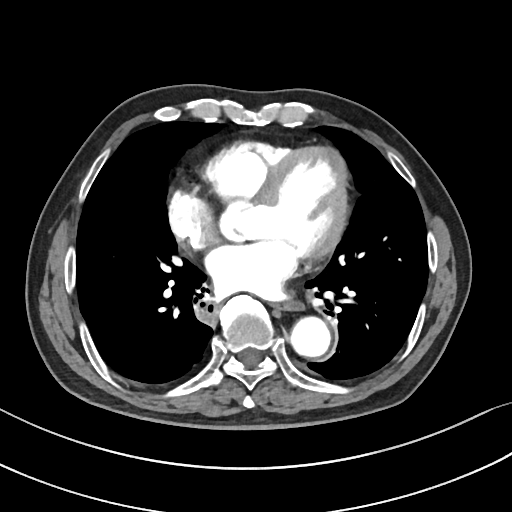

Lower-chest slice from an abdominal CT, just above the liver and spleen · axial view
No part of the heart or lungs is labeled in this dataset, so neither has a box here. Box edges are left/top/right/bottom in pixels. The annotated organs in this slice are: esophagus at left=277, top=305, right=300, bottom=311, aorta at left=290, top=317, right=330, bottom=357.